CT, abdomen/pelvis. axial view. 512x512 px
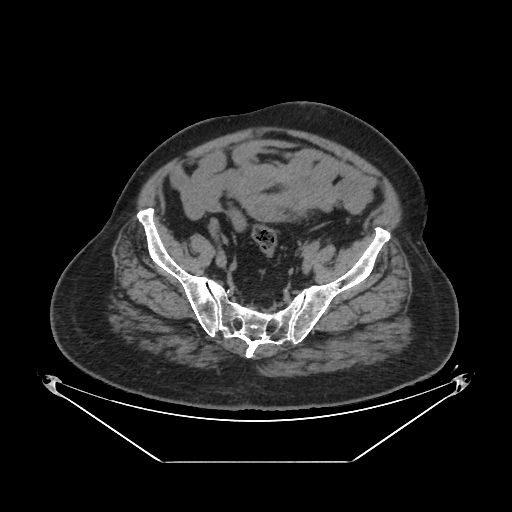
Organ boxes in pixel coordinates; each row gives the top-left (x1, y1) and bottom-right (x2, y2) corners.
| organ | x1 | y1 | x2 | y2 |
|---|---|---|---|---|
| bladder | 239 | 199 | 282 | 220 |